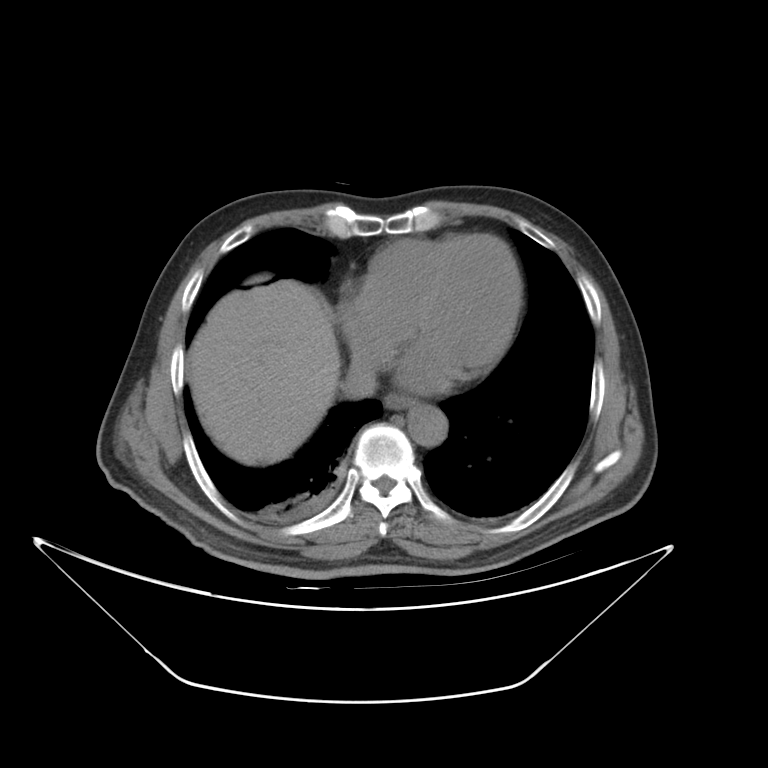 Computed tomography, abdomen. axial view. soft-tissue window (W 400 / L 40). 768x768 px. 66-year-old male patient
Each box given as x1,y1,x2,y2.
Organ bounding boxes:
- aorta: x1=406, y1=406, x2=447, y2=443
- liver: x1=188, y1=280, x2=339, y2=466
- inferior vena cava: x1=342, y1=344, x2=379, y2=400
- esophagus: x1=380, y1=393, x2=414, y2=408